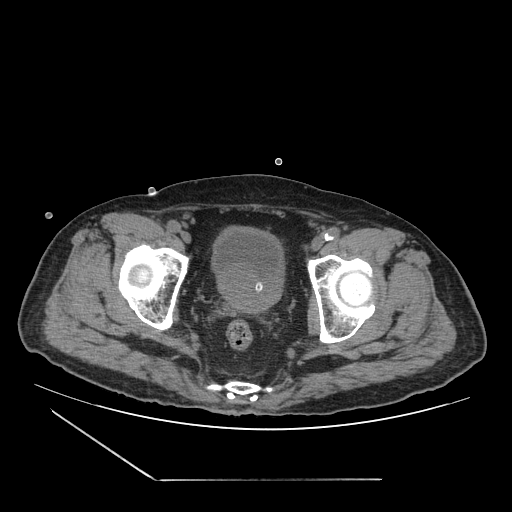 CT, abdomen/pelvis · axial plane, index 31 · W/L 400/40 HU
<organs><organ name="bladder" x1="213" y1="227" x2="282" y2="284"/><organ name="prostate/uterus" x1="217" y1="269" x2="281" y2="315"/></organs>